CT abdomen; axial plane, index 89; soft-tissue window; 15 organs annotated in this scan (that count is for the whole scan; organs this slice misses have no box)
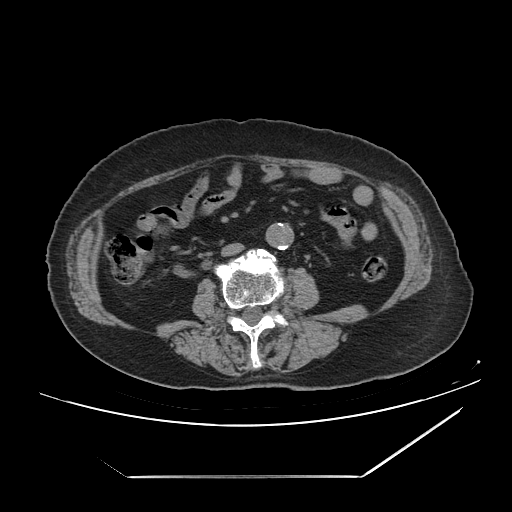 Boxes: x1 y1 x2 y2 (pixel coords, space-separated).
Organ bounding boxes:
- inferior vena cava: 220 243 242 256
- aorta: 266 222 293 249